Computed tomography, abdomen · axial view · W/L 400/40 HU · 76-year-old female patient
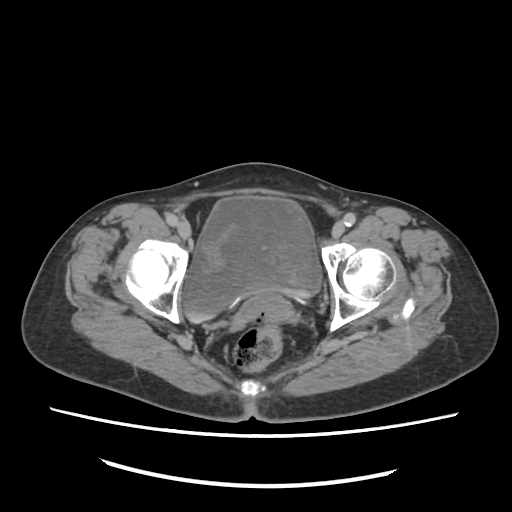

{"organs":{"bladder":[183,197,321,322]}}